CT abdomen. Axial slice 67/242. W/L 400/40 HU. 512x512 px
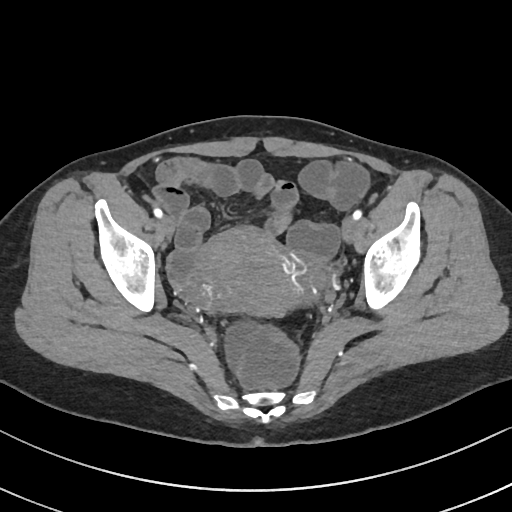

One row per box, in pixels: columns x1 and y1 give the top-left corner, x2 and y2 the bottom-right.
| organ | x1 | y1 | x2 | y2 |
|---|---|---|---|---|
| prostate/uterus | 182 | 228 | 293 | 315 |